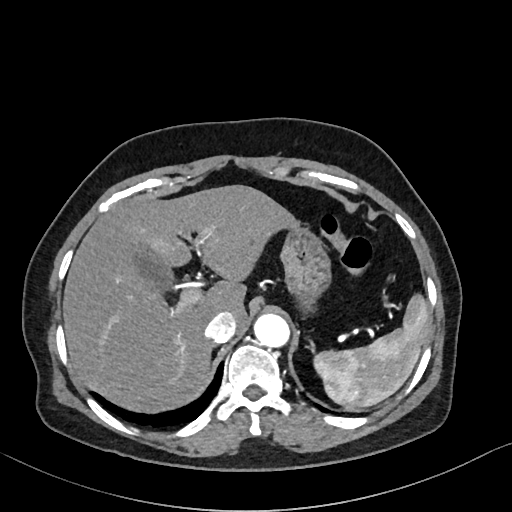

CT abdomen; Axial slice 178/222; 512x512 px
{"organs":{"spleen":[315,296,428,408],"gall bladder":[132,246,174,290],"liver":[63,184,297,410],"stomach":[279,226,333,310],"aorta":[254,314,290,347],"inferior vena cava":[205,312,235,343]}}